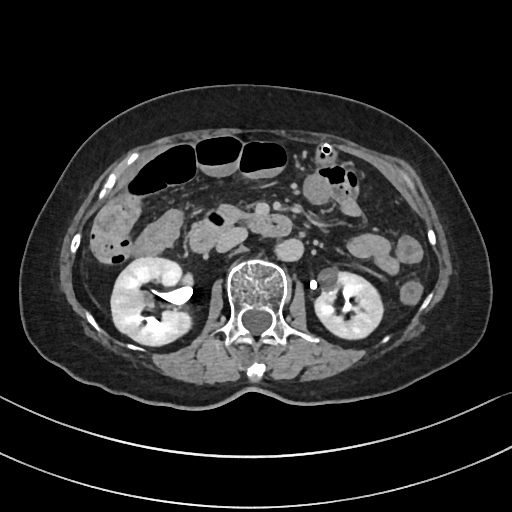

Abdominal CT. axial view. soft-tissue window. SOMATOM Force scanner. 15 organs annotated in this scan (that count is for the whole scan; organs this slice misses have no box)
Organ boxes in pixel coordinates; each row gives the top-left (x1, y1) and bottom-right (x2, y2) corners.
| organ | x1 | y1 | x2 | y2 |
|---|---|---|---|---|
| right kidney | 111 | 258 | 192 | 346 |
| left kidney | 314 | 268 | 381 | 339 |
| stomach | 321 | 147 | 329 | 154 |
| aorta | 280 | 238 | 303 | 260 |
| inferior vena cava | 216 | 227 | 246 | 251 |
| pancreas | 219 | 202 | 247 | 216 |
| duodenum | 190 | 210 | 291 | 252 |